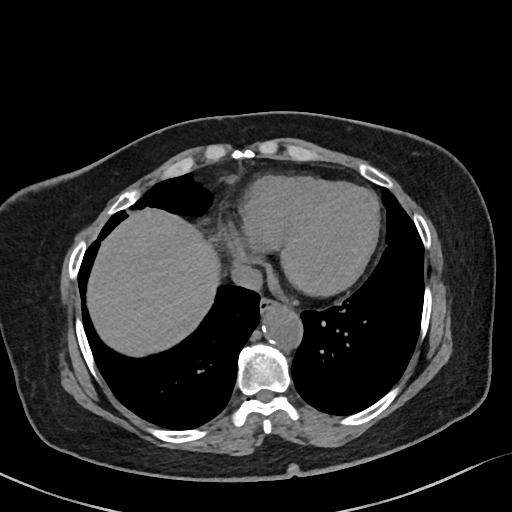 Abdominal CT. Axial slice 184/192. soft-tissue window. scan has 15 labeled organs (that count is for the whole scan; organs this slice misses have no box)
{"organs":{"esophagus":[259,298,280,314],"liver":[87,208,220,356],"aorta":[262,305,302,348],"inferior vena cava":[231,263,262,290]}}